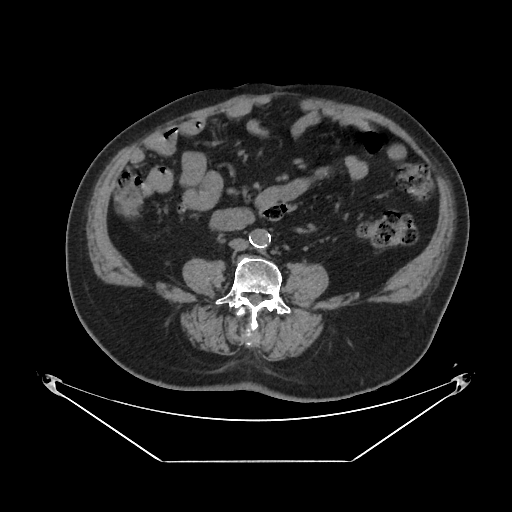
CT, abdomen/pelvis. axial plane, index 157. 512x512 px
Each box given as x1,y1,x2,y2. The annotated organs in this slice are: aorta at x1=250, y1=229, x2=271, y2=248, inferior vena cava at x1=229, y1=238, x2=248, y2=250.